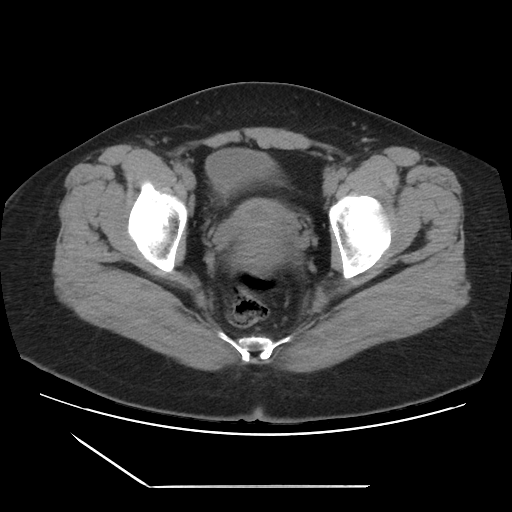

CT abdomen; axial view; soft-tissue window; 15 organs annotated in this scan (counted over the whole 3D scan, not this slice; an organ is boxed only where this slice passes through it)
{"organs":{"prostate/uterus":[222,199,292,273],"bladder":[207,150,276,196]}}